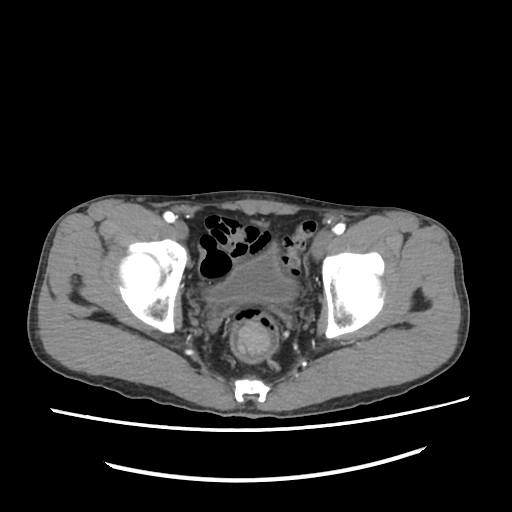 Computed tomography, abdomen — axial view — abdomen soft-tissue window
{"organs":{"bladder":[206,244,300,304]}}